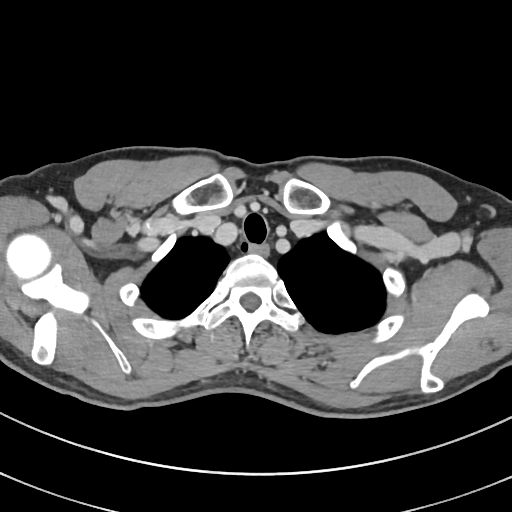
Chest-level slice from an abdominal CT that extends up into the chest — axial view — soft-tissue window (W 400 / L 40) — SOMATOM Force scanner — scan has 15 labeled organs (a whole-scan count: organs this slice does not pass through have no box)
On a slice this high in the chest, this dataset labels only the esophagus and the aorta, and each is boxed only where it is labeled; the heart, lungs and other chest structures are not labeled.
Each box given as x1,y1,x2,y2.
Organ bounding boxes:
- esophagus: x1=247, y1=242, x2=267, y2=253